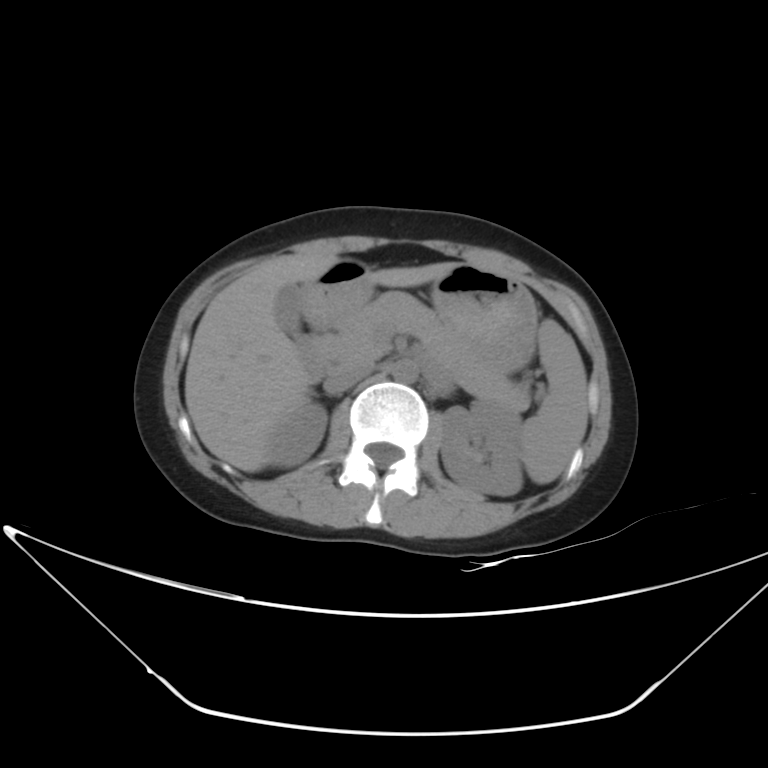

CT abdomen — axial view — soft-tissue window — 768x768 px
Box edges are left/top/right/bottom in pixels. Labeled organs on this slice: spleen at left=521, top=321, right=587, bottom=483, right kidney at left=267, top=403, right=327, bottom=466, left kidney at left=440, top=400, right=523, bottom=495, gall bladder at left=273, top=282, right=304, bottom=336, liver at left=185, top=252, right=459, bottom=471, stomach at left=304, top=258, right=538, bottom=373, aorta at left=392, top=359, right=417, bottom=382, inferior vena cava at left=324, top=359, right=375, bottom=394, pancreas at left=321, top=292, right=530, bottom=413, duodenum at left=296, top=336, right=329, bottom=381.